CT, abdomen/pelvis · axial view · soft-tissue window · 15 organs annotated in this scan (that count is for the whole scan; organs this slice misses have no box)
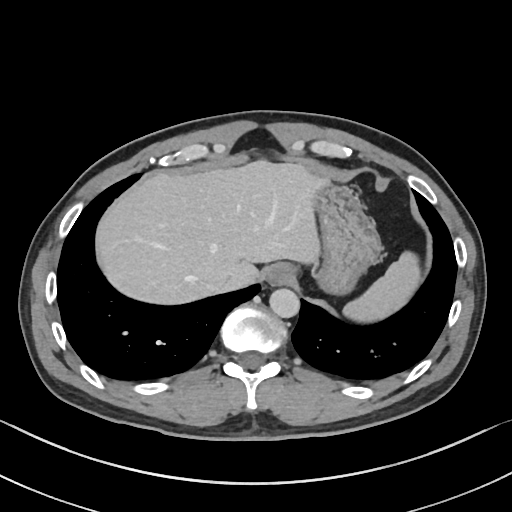
Bounding boxes in pixels, one row per box: x1, y1 is the top-left corner and x2, y2 the bottom-right.
| organ | x1 | y1 | x2 | y2 |
|---|---|---|---|---|
| spleen | 343 | 251 | 420 | 321 |
| esophagus | 263 | 263 | 295 | 286 |
| liver | 96 | 160 | 323 | 304 |
| stomach | 312 | 178 | 382 | 294 |
| aorta | 269 | 288 | 299 | 318 |
| inferior vena cava | 206 | 274 | 232 | 290 |